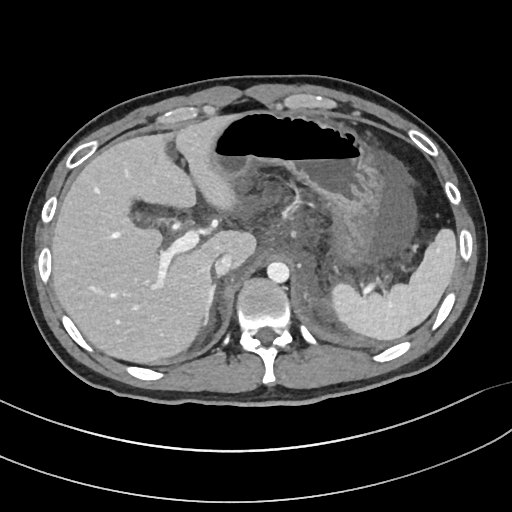
CT abdomen — axial view — scan has 15 labeled organs (a whole-scan count: organs this slice does not pass through have no box)
Boxes are (x1, y1, x2, y2) in pixels. The annotated organs in this slice are: right adrenal gland at (201, 283, 215, 325), inferior vena cava at (214, 253, 231, 275), liver at (52, 116, 256, 363), aorta at (266, 261, 289, 283), stomach at (203, 109, 380, 262), spleen at (332, 228, 457, 340).